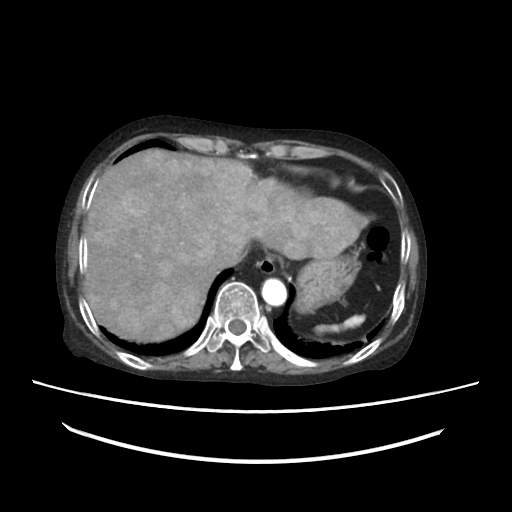

CT, abdomen/pelvis. axial view. acquired on Aquilion ONE
{"organs":{"aorta":[262,278,286,306],"stomach":[296,254,360,313],"spleen":[316,315,363,333],"inferior vena cava":[212,240,248,268],"esophagus":[255,255,281,276],"liver":[82,150,365,341]}}